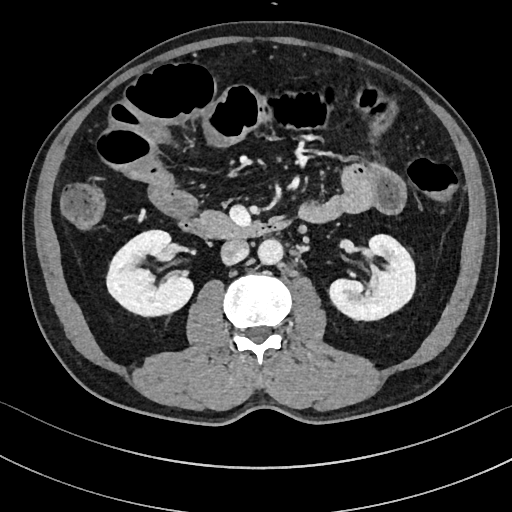

CT abdomen · Axial slice 135/232 · SOMATOM Force scanner · scan has 15 labeled organs (that count is for the whole scan; organs this slice misses have no box)
Bounding boxes as [x1, y1, x2, y2] in pixel coordinates.
right kidney: [107, 230, 193, 315]
left kidney: [329, 234, 416, 321]
aorta: [258, 238, 283, 264]
inferior vena cava: [221, 240, 249, 264]
pancreas: [204, 212, 228, 223]
duodenum: [180, 218, 287, 239]